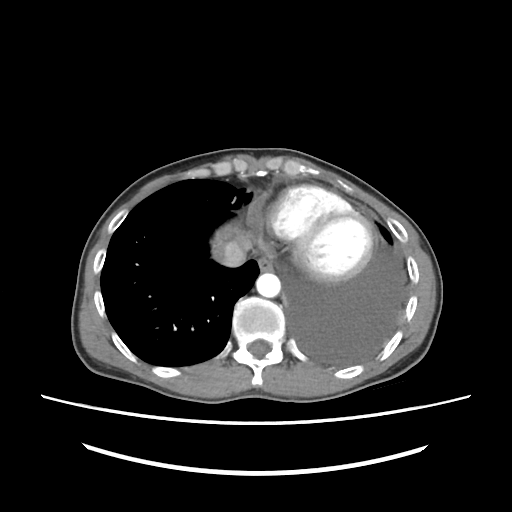

Abdominal CT. Axial slice 81/88. 512x512 px. 46-year-old male patient. acquired on Aquilion ONE
Boxes are (x1, y1, x2, y2) in pixels. Labeled organs on this slice: esophagus at (258, 255, 273, 271), liver at (210, 225, 236, 256), aorta at (256, 272, 280, 297), inferior vena cava at (219, 235, 252, 266).